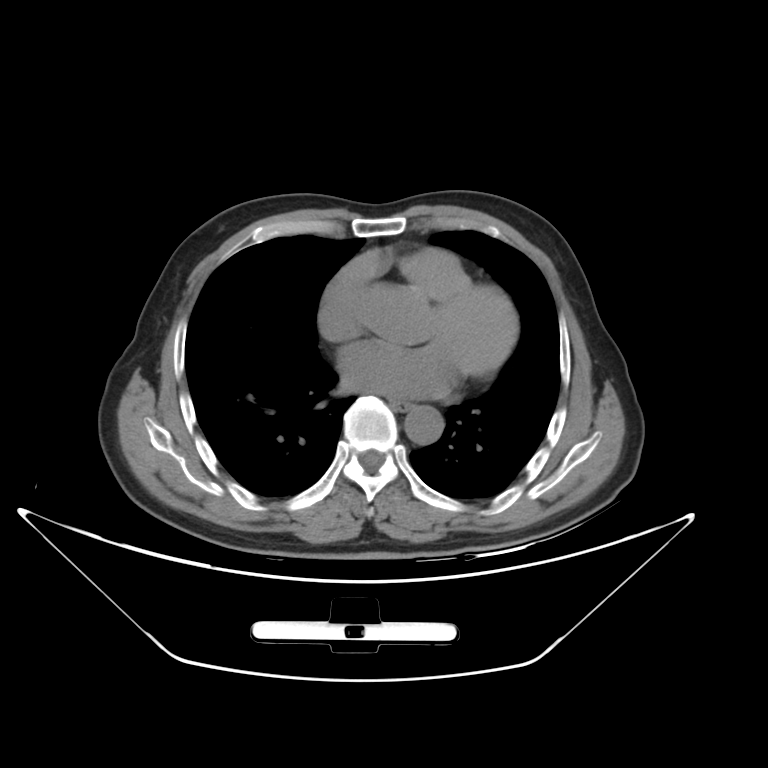

Lower-chest slice from an abdominal CT, just above the liver and spleen; Axial slice 101/101
Of the structures in the chest, this dataset labels only the esophagus, the aorta and the inferior vena cava; the heart and lungs have no label.
Each box given as x1,y1,x2,y2.
Organ bounding boxes:
- esophagus: x1=390, y1=400, x2=412, y2=411
- aorta: x1=405, y1=406, x2=442, y2=444